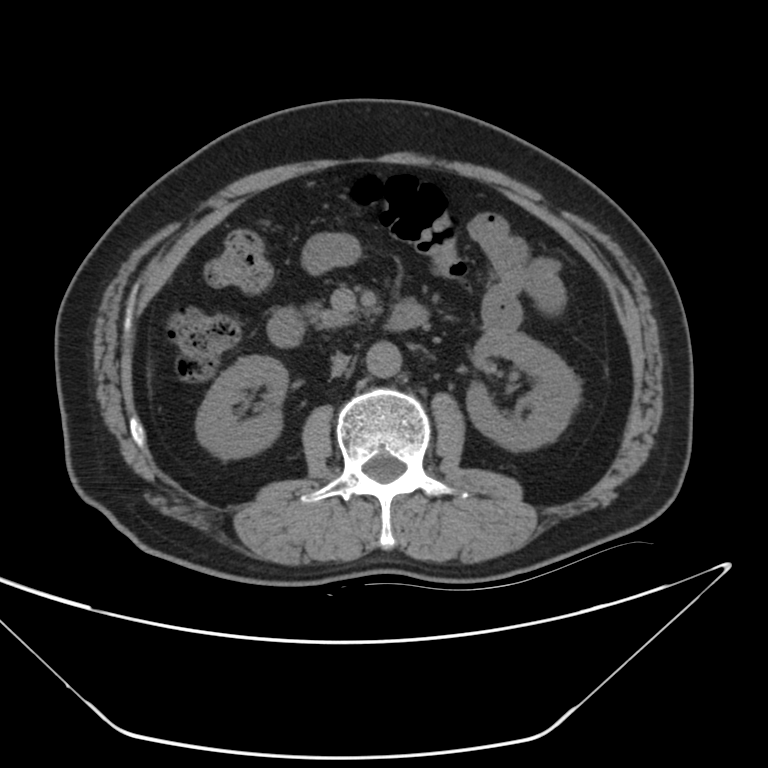
CT abdomen · Axial slice 62/103
One row per box, in pixels: columns x1 and y1 give the top-left corner, x2 and y2 the bottom-right.
| organ | x1 | y1 | x2 | y2 |
|---|---|---|---|---|
| left kidney | 468 | 331 | 577 | 448 |
| inferior vena cava | 331 | 355 | 346 | 377 |
| pancreas | 301 | 307 | 354 | 330 |
| aorta | 366 | 342 | 402 | 378 |
| duodenum | 269 | 301 | 428 | 348 |
| right kidney | 195 | 353 | 285 | 458 |